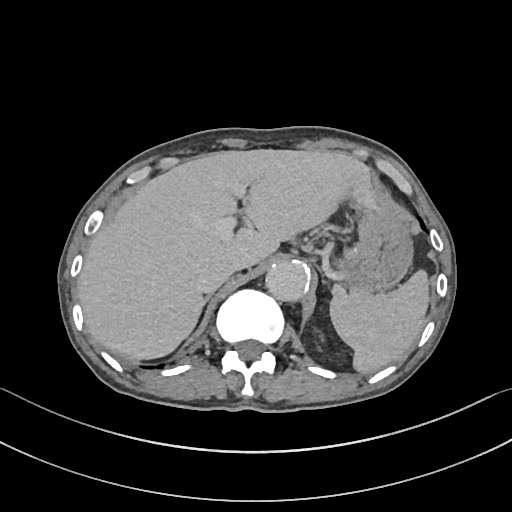

Computed tomography, abdomen; axial view; W/L 400/40 HU
Bounding boxes in pixels, one row per box: x1, y1 is the top-left corner and x2, y2 the bottom-right.
| organ | x1 | y1 | x2 | y2 |
|---|---|---|---|---|
| spleen | 330 | 269 | 428 | 373 |
| liver | 77 | 149 | 382 | 359 |
| stomach | 339 | 211 | 412 | 292 |
| aorta | 265 | 260 | 309 | 301 |
| inferior vena cava | 199 | 256 | 237 | 292 |
| right adrenal gland | 203 | 295 | 210 | 306 |